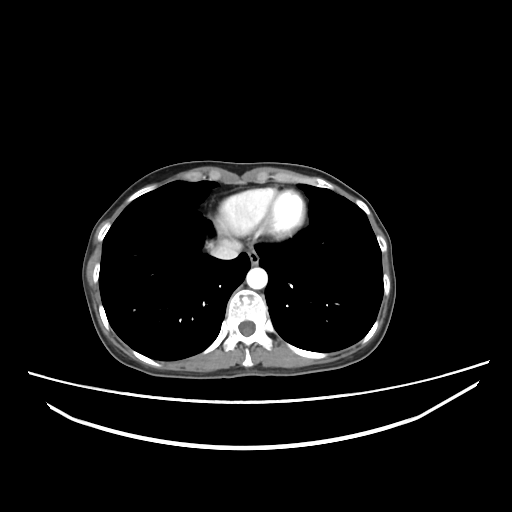 Abdominal CT; this slice is in the lower chest, just above the liver — axial view — W/L 400/40 HU — 512x512 px — 15 organs annotated in this scan (that count is for the whole scan; organs this slice misses have no box)
Of the structures in the chest, this dataset labels only the esophagus, the aorta and the inferior vena cava; the heart and lungs have no label.
Coordinates as <box>x1,y1,x2,y2</box> in pixels.
Organ bounding boxes:
- esophagus: <box>247,248,259,264</box>
- aorta: <box>246,267,267,289</box>
- inferior vena cava: <box>210,240,241,259</box>